CT abdomen · axial view · SOMATOM Force scanner
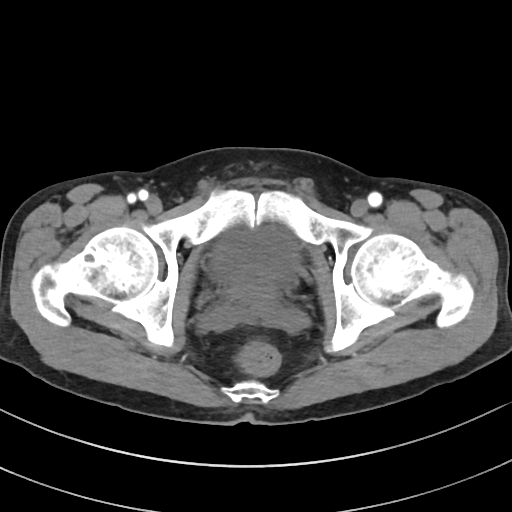

<organs><organ name="bladder" x1="211" y1="226" x2="297" y2="286"/><organ name="prostate/uterus" x1="230" y1="279" x2="277" y2="305"/></organs>